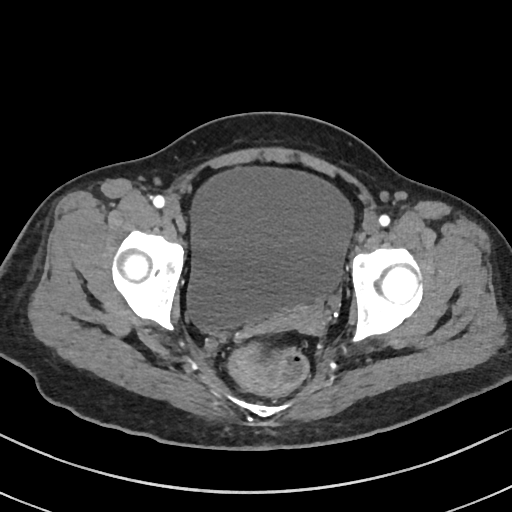
CT abdomen; Axial slice 28/191; W/L 400/40 HU
Boxes are (x1, y1, x2, y2) in pixels. Labeled organs on this slice: bladder at (184, 167, 353, 336), prostate/uterus at (279, 305, 327, 335).